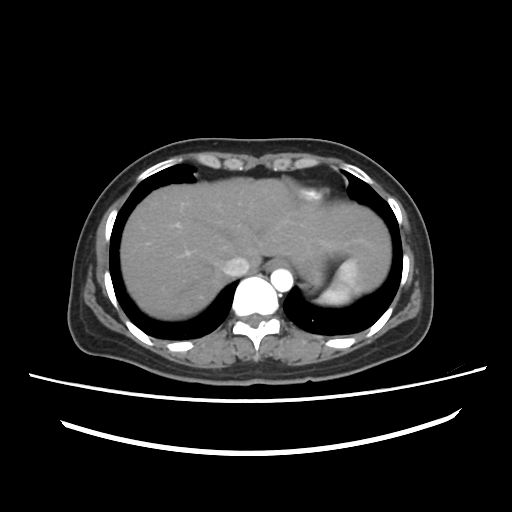
CT abdomen — axial plane, index 83 — 512x512 px
Coordinates as <box>x1,y1,x2,y2</box> in pixels. The annotated organs in this slice are: spleen at <box>316,258,370,305</box>, esophagus at <box>265,258,286,270</box>, liver at <box>120,177,390,320</box>, stomach at <box>300,261,324,288</box>, aorta at <box>271,268,292,291</box>, inferior vena cava at <box>223,256,250,276</box>.